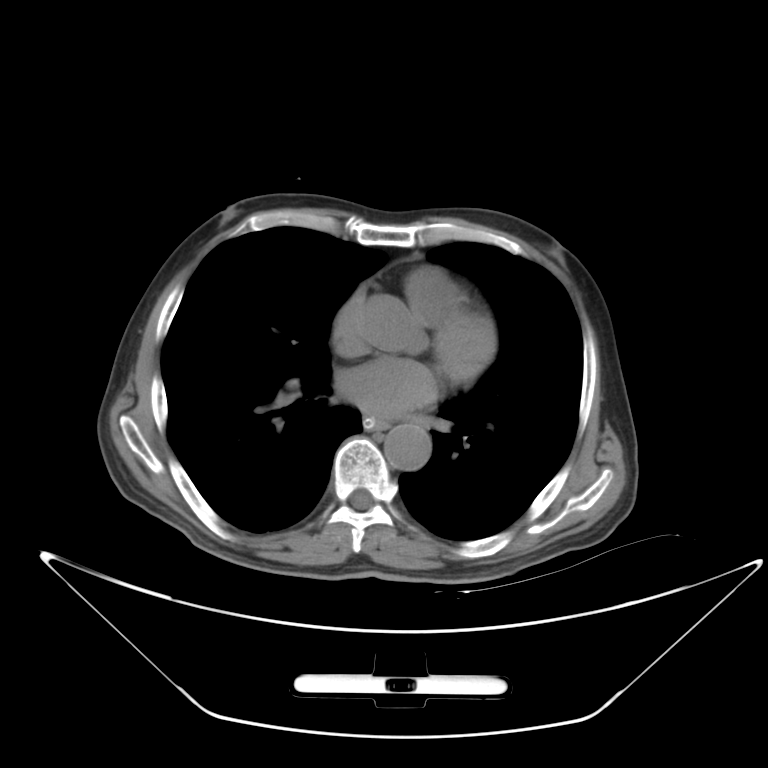
Lower-chest slice from an abdominal CT, just above the liver and spleen · axial view
The heart and lungs are never labeled in this dataset, so they have no box on this slice.
{"organs":{"esophagus":[364,417,389,430],"aorta":[384,423,431,470]}}